CT abdomen · axial view · soft-tissue window (W 400 / L 40) · 512x512 px
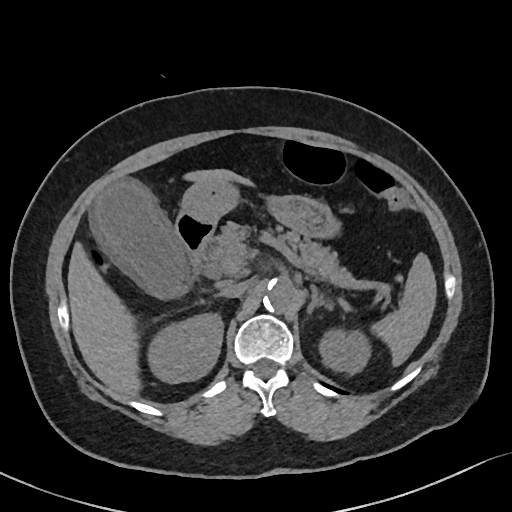 {"organs":{"spleen":[372,254,435,365],"right kidney":[150,313,223,382],"left kidney":[320,327,367,372],"gall bladder":[89,180,192,296],"liver":[67,168,253,397],"stomach":[178,181,338,237],"aorta":[263,279,295,315],"inferior vena cava":[220,281,249,297],"pancreas":[204,221,351,278],"left adrenal gland":[306,286,328,315],"duodenum":[173,213,216,272]}}